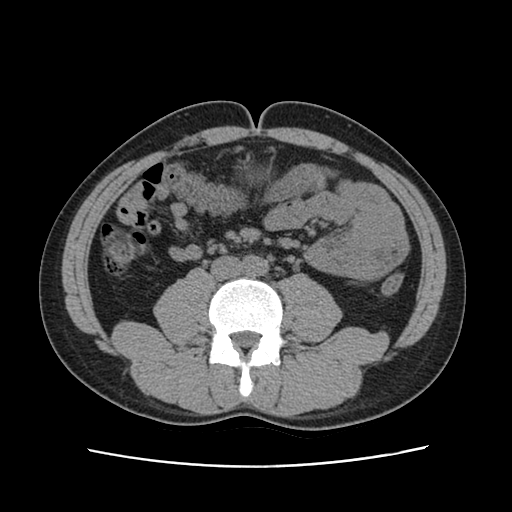
CT abdomen. axial plane, index 93
Boxes: x1 y1 x2 y2 (pixel coords, space-separated).
Organ bounding boxes:
- stomach: 236 162 270 181
- aorta: 244 255 267 275
- inferior vena cava: 210 255 242 280